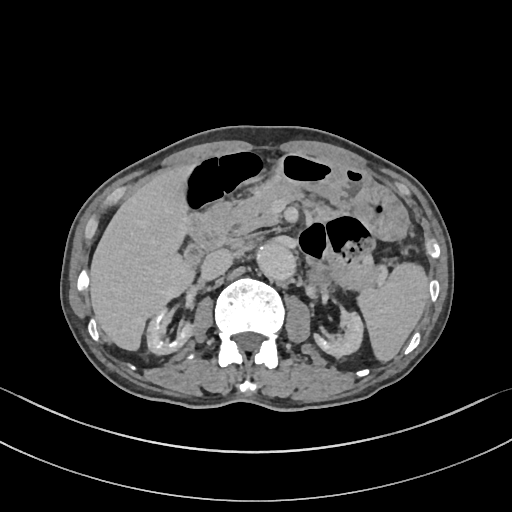
Abdominal CT; Axial slice 149/204; soft-tissue window; 512x512 px
Boxes are (x1, y1, x2, y2) in pixels.
aorta: (256, 244, 295, 281)
left adrenal gland: (311, 269, 333, 288)
inferior vena cava: (201, 249, 232, 278)
stomach: (270, 153, 408, 240)
spleen: (357, 263, 427, 361)
liver: (89, 165, 194, 350)
right kidney: (146, 309, 191, 354)
pancreas: (211, 181, 379, 286)
gall bladder: (184, 246, 200, 262)
left kidney: (315, 312, 363, 357)
duodenum: (188, 210, 229, 263)